CT, abdomen/pelvis · axial view · Aquilion ONE scanner · scan has 15 labeled organs (that count is for the whole scan; organs this slice misses have no box)
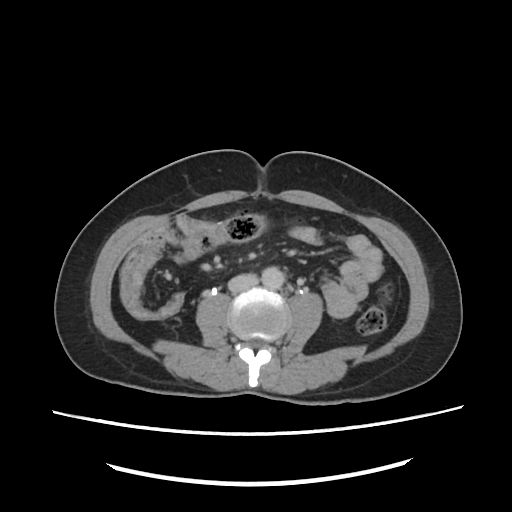

Each box given as x1,y1,x2,y2. Labeled organs on this slice: aorta at x1=262, y1=265, x2=284, y2=289, inferior vena cava at x1=228, y1=275, x2=257, y2=291.